Chest-level slice from an abdominal CT that extends up into the chest. axial plane, index 109
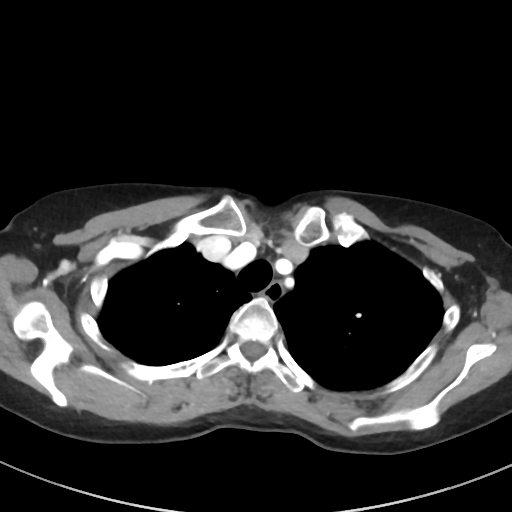

On a slice this high in the chest, this dataset labels only the esophagus and the aorta, and each is boxed only where it is labeled; the heart, lungs and other chest structures are not labeled.
Boxes: x1 y1 x2 y2 (pixel coords, space-separated).
esophagus: 261 280 283 298